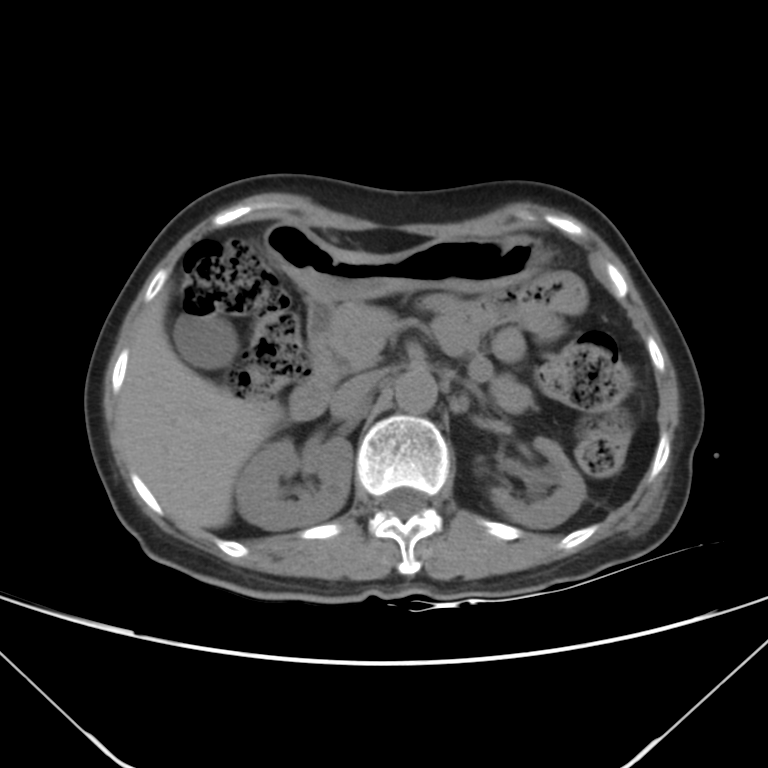
Abdominal CT — axial view — Brilliance16 scanner — scan has 15 labeled organs (counted over the whole 3D scan, not this slice; an organ is boxed only where this slice passes through it)
Bounding boxes in pixels, one row per box: x1, y1 is the top-left corner and x2, y2 the bottom-right.
| organ | x1 | y1 | x2 | y2 |
|---|---|---|---|---|
| inferior vena cava | 330 | 374 | 374 | 416 |
| liver | 119 | 251 | 359 | 530 |
| duodenum | 290 | 300 | 334 | 420 |
| aorta | 394 | 368 | 437 | 413 |
| stomach | 264 | 223 | 548 | 303 |
| left adrenal gland | 465 | 385 | 481 | 398 |
| gall bladder | 173 | 316 | 236 | 369 |
| right kidney | 236 | 436 | 352 | 530 |
| pancreas | 326 | 302 | 399 | 376 |
| left kidney | 492 | 436 | 585 | 528 |